CT, abdomen/pelvis; axial plane, index 93
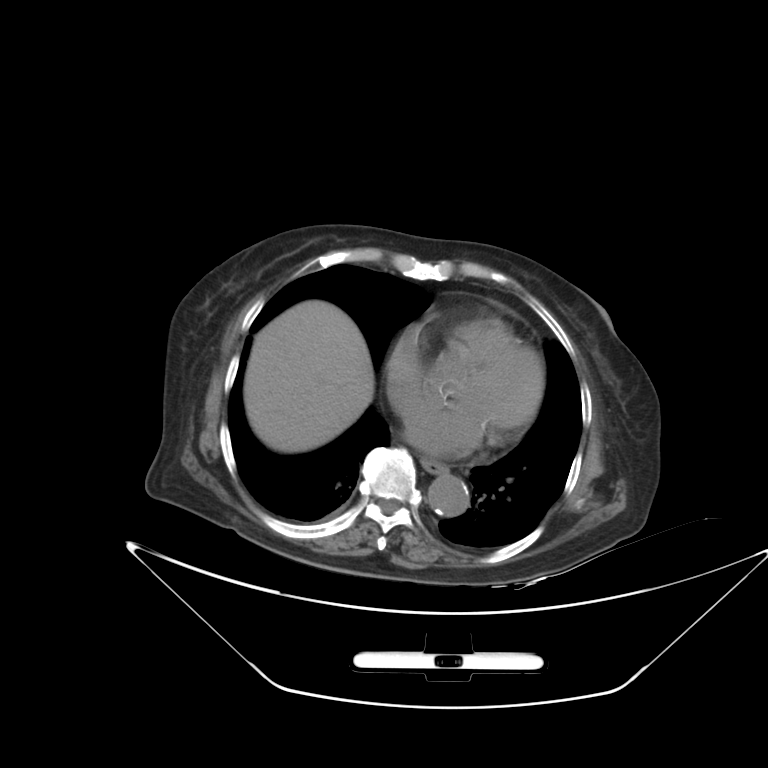 Coordinates as <box>x1,y1,x2,y2</box> in pixels.
Organ bounding boxes:
- esophagus: <box>421,458,447,474</box>
- liver: <box>243,300,373,452</box>
- aorta: <box>428,474,469,516</box>